CT, abdomen/pelvis; Axial slice 82/90; 52-year-old female patient
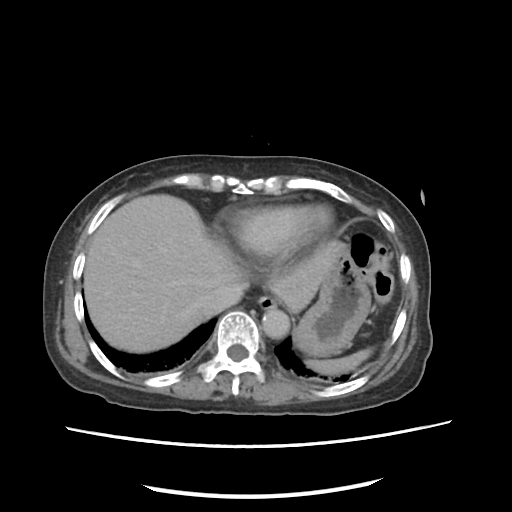 Boxes: x1 y1 x2 y2 (pixel coords, space-separated). 6 labeled organs on this slice — spleen at 306 348 372 374; esophagus at 257 295 277 310; liver at 83 194 340 352; stomach at 294 252 371 356; aorta at 262 309 289 338; inferior vena cava at 199 285 242 316.